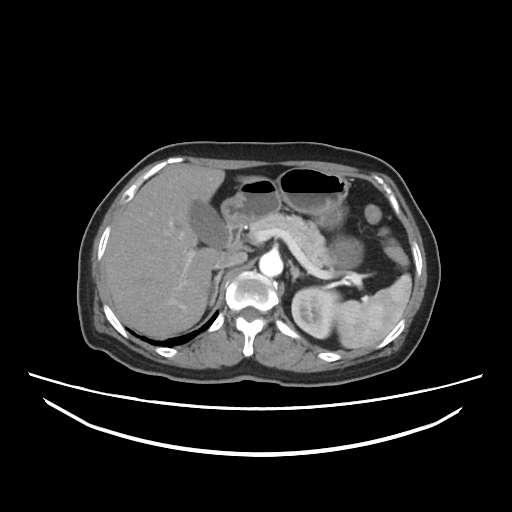 Computed tomography, abdomen. axial view. acquired on Aquilion ONE. 15 organs annotated in this scan (that count is for the whole scan; organs this slice misses have no box)
Boxes: x1:y1:x2:y2 in pixels. Labeled organs on this slice: spleen at 334:275:411:349, left kidney at 292:287:340:338, gall bladder at 189:200:226:250, liver at 105:163:264:337, stomach at 220:168:364:271, aorta at 258:252:282:275, inferior vena cava at 213:251:246:268, pancreas at 243:212:338:275, right adrenal gland at 209:271:222:305, left adrenal gland at 292:266:303:281, duodenum at 227:223:242:248.